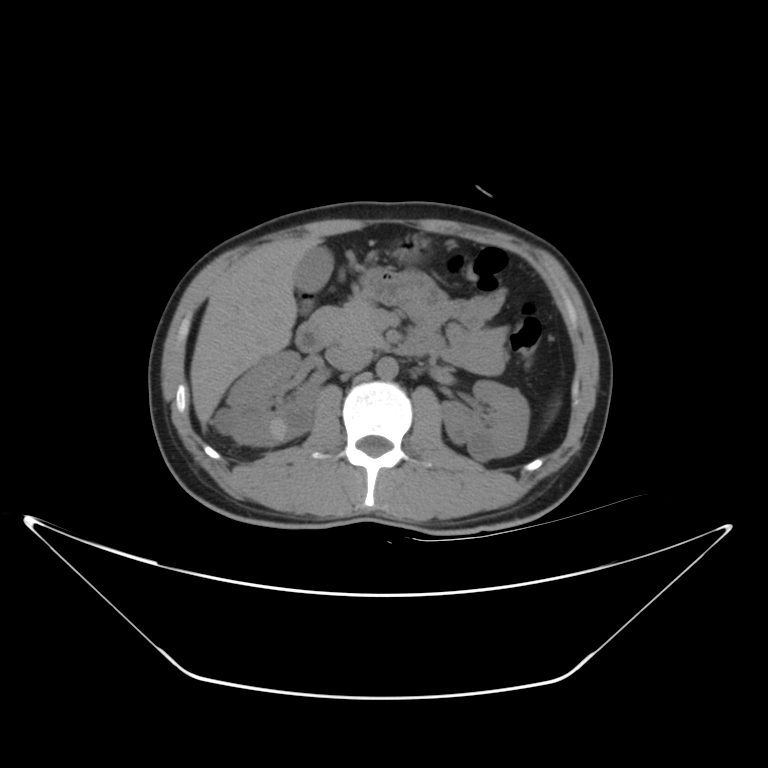
CT abdomen — axial view
Each box given as x1,y1,x2,y2.
Organ bounding boxes:
- right kidney: x1=213, y1=351, x2=316, y2=446
- left kidney: x1=440, y1=381, x2=527, y2=461
- pancreas: x1=311, y1=302, x2=387, y2=350
- gall bladder: x1=292, y1=246, x2=332, y2=291
- duodenum: x1=295, y1=323, x2=443, y2=356
- liver: x1=190, y1=234, x2=322, y2=429
- inferior vena cava: x1=325, y1=345, x2=370, y2=371
- stomach: x1=392, y1=236, x2=431, y2=261
- aorta: x1=375, y1=355, x2=398, y2=378